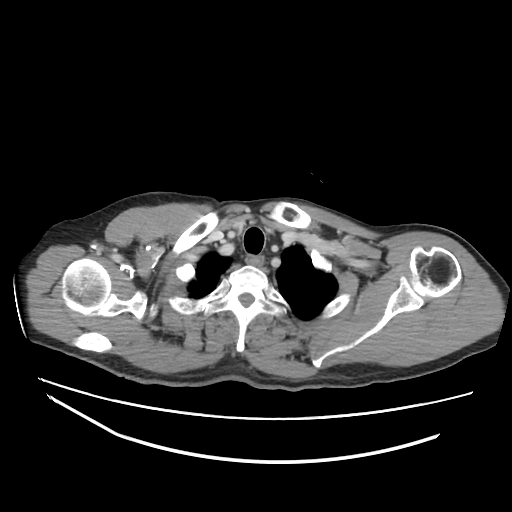

Chest-level slice from an abdominal CT that extends up into the chest. Axial slice 122/128. 512x512 px. scan has 15 labeled organs (counted over the whole 3D scan, not this slice; an organ is boxed only where this slice passes through it)
At this level of the chest no structure but the esophagus and the aorta has a label in this dataset, and those two are boxed only where they are labeled.
<organs><organ name="esophagus" x1="246" y1="255" x2="264" y2="266"/></organs>